CT abdomen; axial plane, index 16; W/L 400/40 HU; 41-year-old male patient
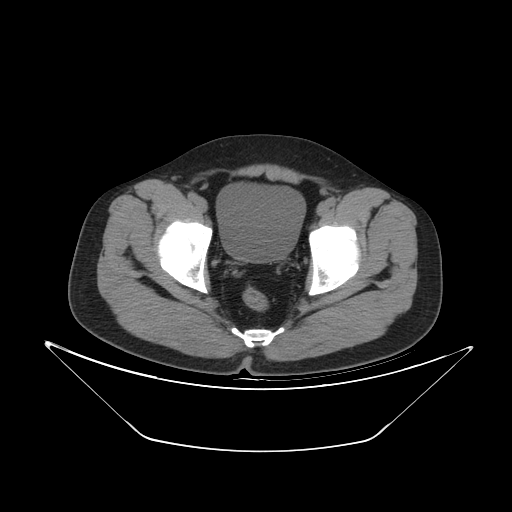
Boxes: x1 y1 x2 y2 (pixel coords, space-separated).
bladder: 216 182 305 262